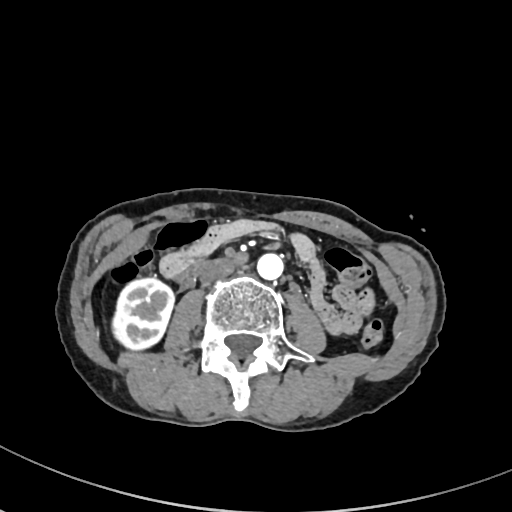

Abdominal CT; axial plane, index 122; abdomen soft-tissue window
Coordinates as <box>x1,y1,x2,y2</box> in pixels.
inferior vena cava: <box>199,261,233,284</box>
duodenum: <box>175,259,217,287</box>
aorta: <box>256,253,283,280</box>
right kidney: <box>111,276,174,351</box>